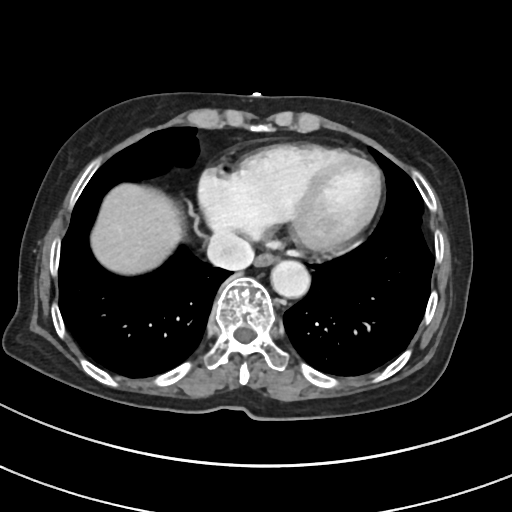
CT, abdomen/pelvis — axial view — abdomen soft-tissue window — 512x512 px
<organs><organ name="esophagus" x1="254" y1="255" x2="277" y2="267"/><organ name="inferior vena cava" x1="207" y1="231" x2="252" y2="269"/><organ name="aorta" x1="271" y1="261" x2="310" y2="297"/><organ name="liver" x1="92" y1="184" x2="182" y2="272"/></organs>